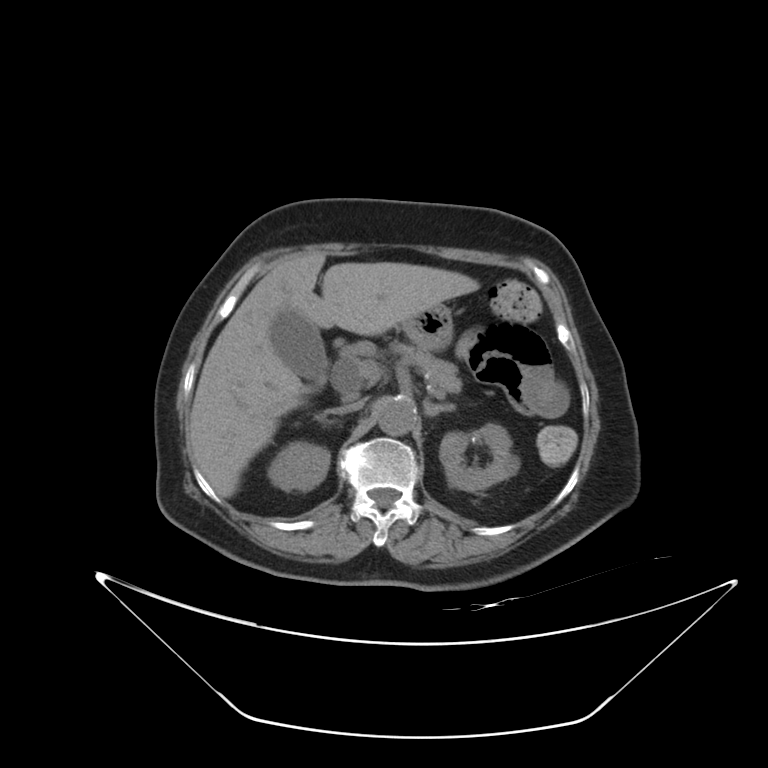

CT abdomen · axial view · 768x768 px
{"organs":{"right kidney":[266,441,330,490],"left kidney":[439,424,519,491],"gall bladder":[271,309,328,381],"liver":[189,252,479,497],"stomach":[402,305,453,350],"aorta":[378,396,417,435],"inferior vena cava":[330,398,365,413],"pancreas":[389,341,461,394],"right adrenal gland":[314,413,337,424],"left adrenal gland":[424,398,455,416]}}